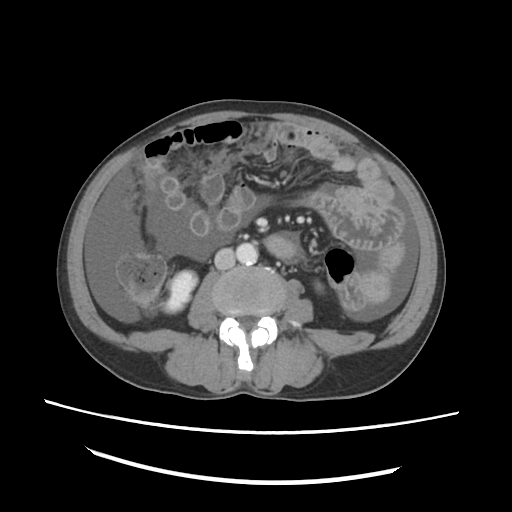 CT abdomen — axial view — soft-tissue window
<organs><organ name="aorta" x1="236" y1="242" x2="257" y2="264"/><organ name="inferior vena cava" x1="214" y1="248" x2="235" y2="269"/><organ name="right kidney" x1="164" y1="270" x2="197" y2="312"/></organs>